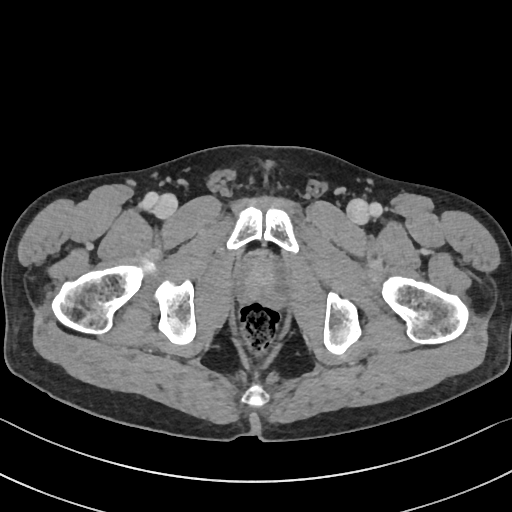 Computed tomography, abdomen; axial view; 512x512 px
Boxes are (x1, y1, x2, y2) in pixels.
Organ bounding boxes:
- prostate/uterus: (240, 257, 285, 300)